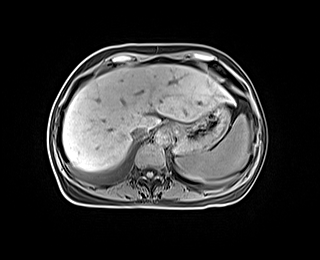 Abdominal MRI · axial view · 320x260 px · Prisma scanner
Box edges are left/top/right/bottom in pixels.
aorta: left=154, top=129, right=170, bottom=145
stomach: left=171, top=103, right=229, bottom=155
spleen: left=175, top=115, right=250, bottom=182
liver: left=62, top=65, right=234, bottom=171
inferior vena cava: left=131, top=128, right=146, bottom=139